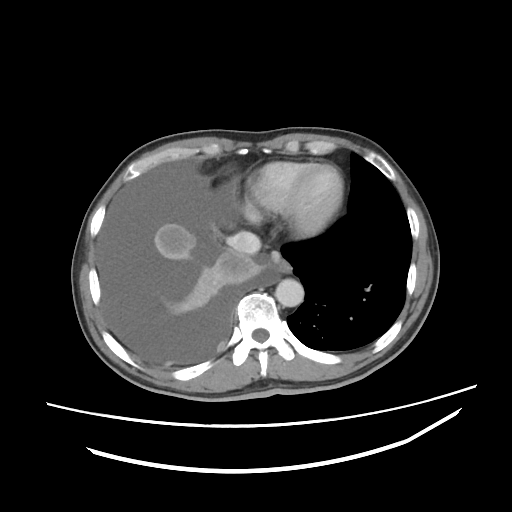
CT of the abdomen reaching into the lower chest, slice just above the liver and spleen. Axial slice 89/131. 512x512 px. 49-year-old male patient. 15 organs annotated in this scan (counted over the whole 3D scan, not this slice; an organ is boxed only where this slice passes through it)
Of the structures in the chest, this dataset labels only the esophagus, the aorta and the inferior vena cava; the heart and lungs have no label. Bounding boxes as [x1, y1, x2, y2] in pixel coordinates. Labeled organs on this slice: inferior vena cava at [227, 231, 261, 254], esophagus at [270, 251, 291, 273], aorta at [275, 278, 303, 306].